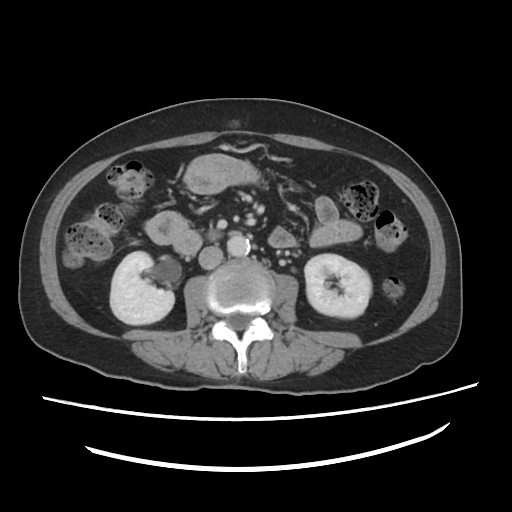

Computed tomography, abdomen; axial plane, index 52; soft-tissue window (W 400 / L 40)
Bounding boxes as [x1, y1, x2, y2] in pixel coordinates. The annotated organs in this slice are: left kidney at [305, 254, 371, 318], inferior vena cava at [199, 246, 223, 270], right kidney at [111, 252, 175, 325], aorta at [228, 234, 250, 256].